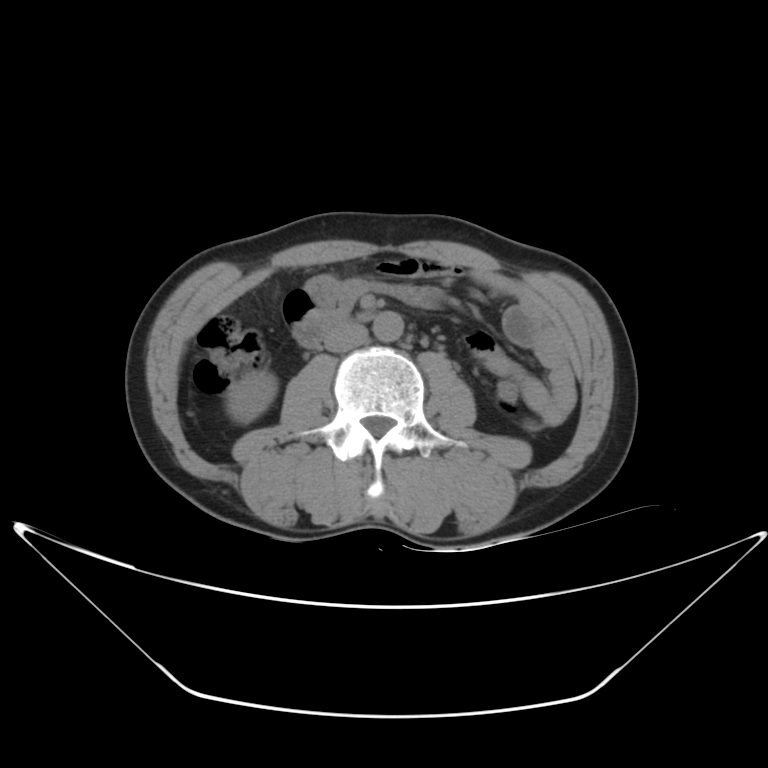
CT, abdomen/pelvis. axial view. soft-tissue window
<organs><organ name="right kidney" x1="230" y1="370" x2="275" y2="420"/><organ name="aorta" x1="373" y1="311" x2="402" y2="342"/><organ name="inferior vena cava" x1="324" y1="322" x2="367" y2="352"/><organ name="duodenum" x1="291" y1="310" x2="332" y2="348"/></organs>